CT, abdomen/pelvis. axial view. W/L 400/40 HU. 512x512 px
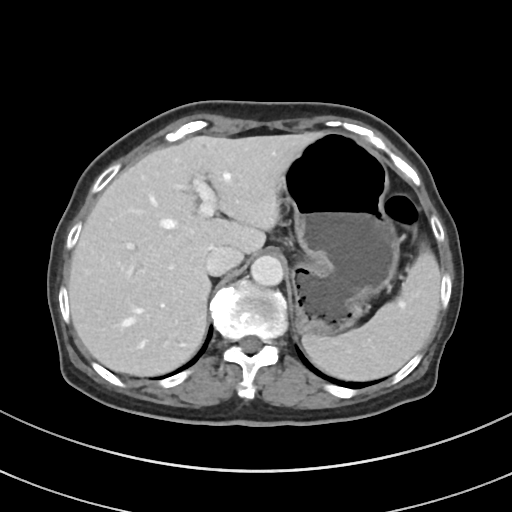
One row per box, in pixels: columns x1 and y1 give the top-left corner, x2 and y2 the bottom-right.
| organ | x1 | y1 | x2 | y2 |
|---|---|---|---|---|
| spleen | 302 | 246 | 440 | 381 |
| liver | 68 | 131 | 322 | 376 |
| stomach | 281 | 132 | 399 | 335 |
| aorta | 251 | 255 | 283 | 286 |
| inferior vena cava | 206 | 246 | 243 | 275 |